Abdominal MRI. axial view. percentile-normalized
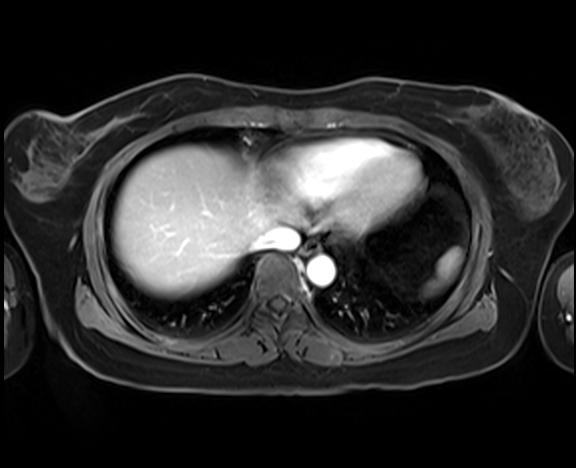

Bounding boxes as [x1, y1, x2, y2] in pixel coordinates.
liver: [113, 146, 275, 296]
inferior vena cava: [253, 225, 300, 249]
aorta: [307, 255, 334, 286]
spleen: [426, 248, 461, 294]
esophagus: [300, 242, 318, 256]